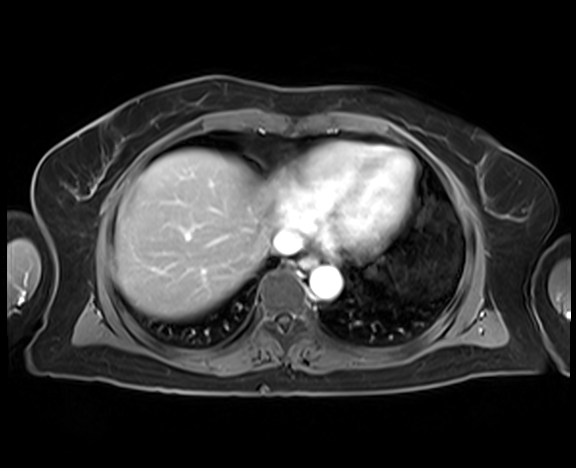 Abdominal MRI — Axial slice 62/72 — 576x468 px — Prisma scanner
Box edges are left/top/right/bottom in pixels.
aorta: left=309, top=267, right=341, bottom=299
inferior vena cava: left=272, top=229, right=302, bottom=254
liver: left=115, top=149, right=274, bottom=318
esophagus: left=299, top=256, right=316, bottom=268